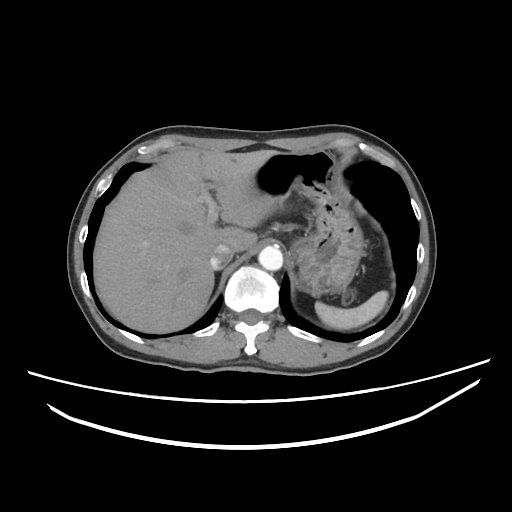
Abdominal CT · axial view · soft-tissue window (W 400 / L 40) · 512x512 px
Boxes: x1 y1 x2 y2 (pixel coords, space-separated).
Organ bounding boxes:
- stomach: 253 150 363 296
- inferior vena cava: 210 243 233 269
- aorta: 258 246 282 270
- spleen: 315 291 388 329
- liver: 93 149 280 333